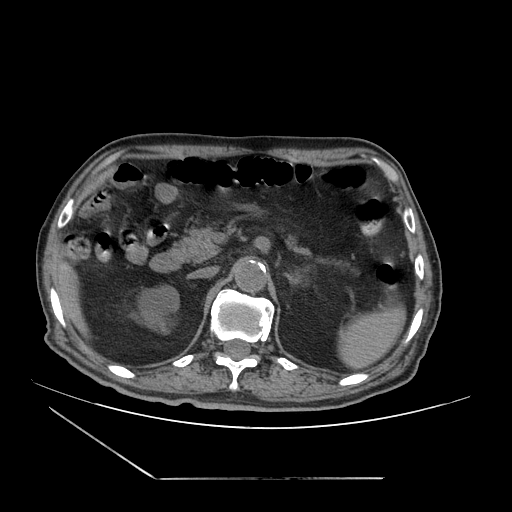

Abdominal CT; Axial slice 136/187; 512x512 px
Boxes: x1:y1:x2:y2 in pixels. 8 labeled organs on this slice — spleen at 338:308:406:368; right kidney at 140:285:178:330; liver at 55:258:88:336; aorta at 234:258:266:292; inferior vena cava at 187:267:217:279; pancreas at 173:227:312:261; left adrenal gland at 284:272:302:284; duodenum at 150:249:184:271.